CT abdomen — axial view — scan has 15 labeled organs (a whole-scan count: organs this slice does not pass through have no box)
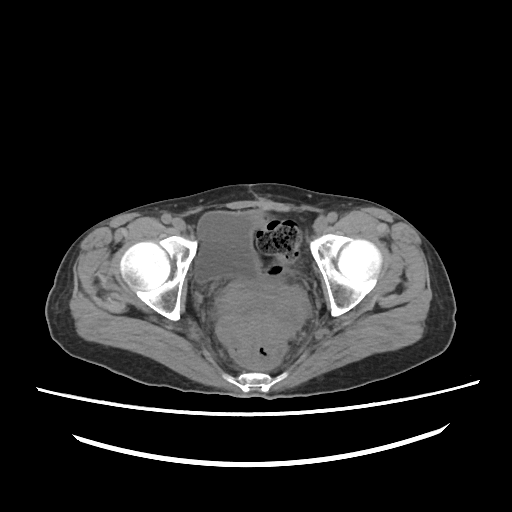

Box edges are left/top/right/bottom in pixels.
Organ bounding boxes:
- bladder: left=195, top=211, right=260, bottom=282
- prostate/uterus: left=222, top=285, right=306, bottom=332